Abdominal CT; this slice is in the lower chest, just above the liver. Axial slice 97/101. soft-tissue window (W 400 / L 40). 512x512 px. 40-year-old male patient
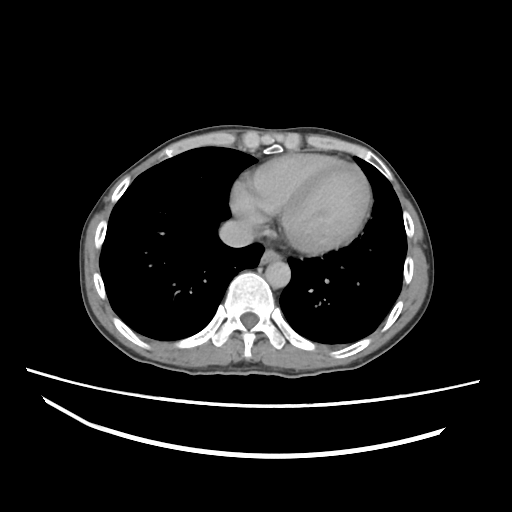

Of the structures in the chest, this dataset labels only the esophagus, the aorta and the inferior vena cava; the heart and lungs have no label. Boxes: x1:y1:x2:y2 in pixels. 3 labeled organs on this slice — esophagus at 260:248:281:264; aorta at 266:259:290:287; inferior vena cava at 218:219:254:247.